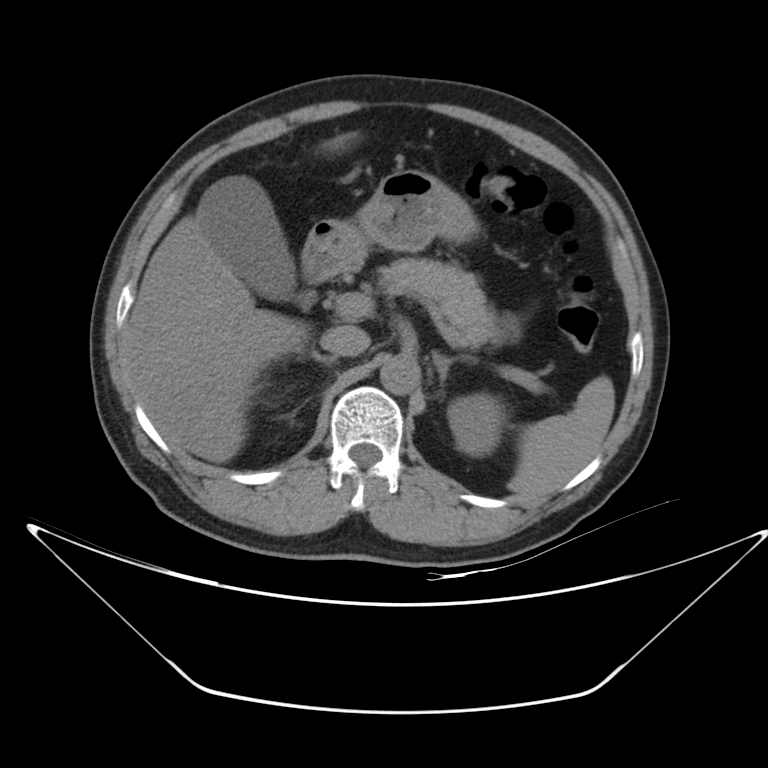
Computed tomography, abdomen; axial view; 768x768 px
<organs><organ name="gall bladder" x1="199" y1="177" x2="295" y2="300"/><organ name="pancreas" x1="378" y1="257" x2="504" y2="350"/><organ name="liver" x1="122" y1="135" x2="352" y2="462"/><organ name="spleen" x1="508" y1="376" x2="614" y2="497"/><organ name="aorta" x1="380" y1="355" x2="421" y2="394"/><organ name="left kidney" x1="447" y1="394" x2="507" y2="455"/><organ name="right adrenal gland" x1="309" y1="352" x2="337" y2="365"/><organ name="duodenum" x1="303" y1="264" x2="327" y2="281"/><organ name="inferior vena cava" x1="320" y1="326" x2="369" y2="357"/><organ name="stomach" x1="303" y1="170" x2="479" y2="276"/><organ name="left adrenal gland" x1="433" y1="351" x2="473" y2="386"/></organs>